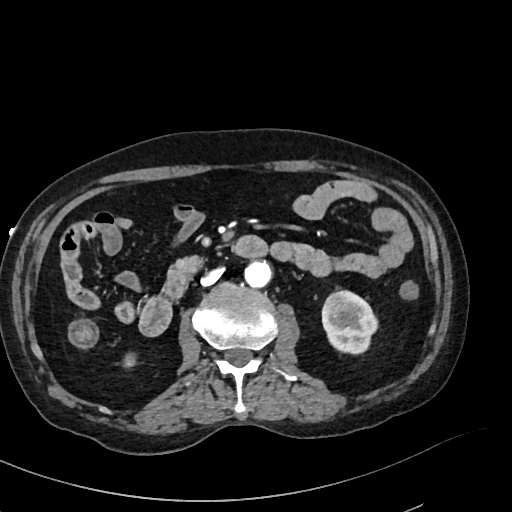 CT abdomen · axial plane, index 136 · W/L 400/40 HU · 512x512 px
Bounding boxes in pixels, one row per box: x1, y1 is the top-left corner and x2, y2 the bottom-right.
| organ | x1 | y1 | x2 | y2 |
|---|---|---|---|---|
| right kidney | 123 | 352 | 136 | 367 |
| aorta | 244 | 261 | 271 | 287 |
| left kidney | 322 | 290 | 377 | 353 |
| duodenum | 137 | 236 | 267 | 336 |
| inferior vena cava | 201 | 268 | 222 | 285 |